Abdominal CT reaching into the chest; this slice is in the chest; axial view; acquired on SOMATOM Force; scan has 15 labeled organs (counted over the whole 3D scan, not this slice; an organ is boxed only where this slice passes through it)
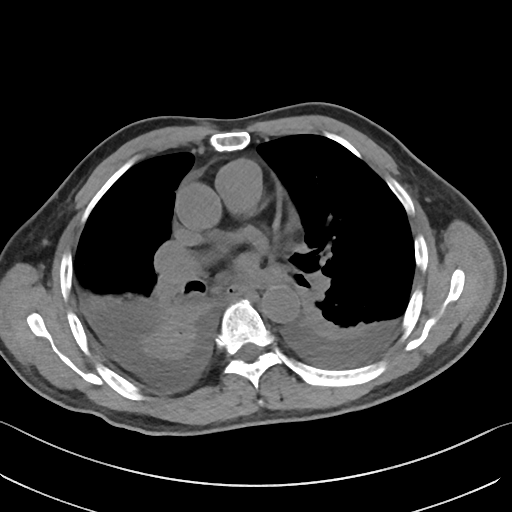

At this level of the chest this dataset labels only the esophagus and the aorta, and each is boxed only where it is labeled; the heart and lungs are never labeled.
Boxes: x1 y1 x2 y2 (pixel coords, space-separated).
esophagus: 229 288 243 293
aorta: 260 285 300 323